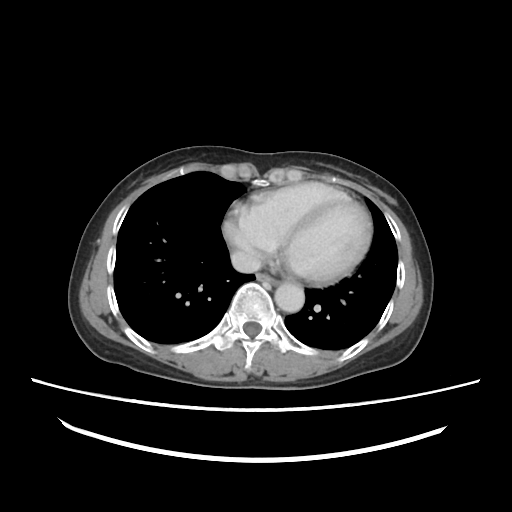

CT of the abdomen reaching into the lower chest, slice just above the liver and spleen · axial view · soft-tissue window
Of the structures in the chest, this dataset labels only the esophagus, the aorta and the inferior vena cava; the heart and lungs have no label.
Bounding boxes as [x1, y1, x2, y2] in pixel coordinates.
esophagus: [257, 273, 278, 286]
aorta: [274, 282, 304, 312]
inferior vena cava: [230, 250, 261, 272]